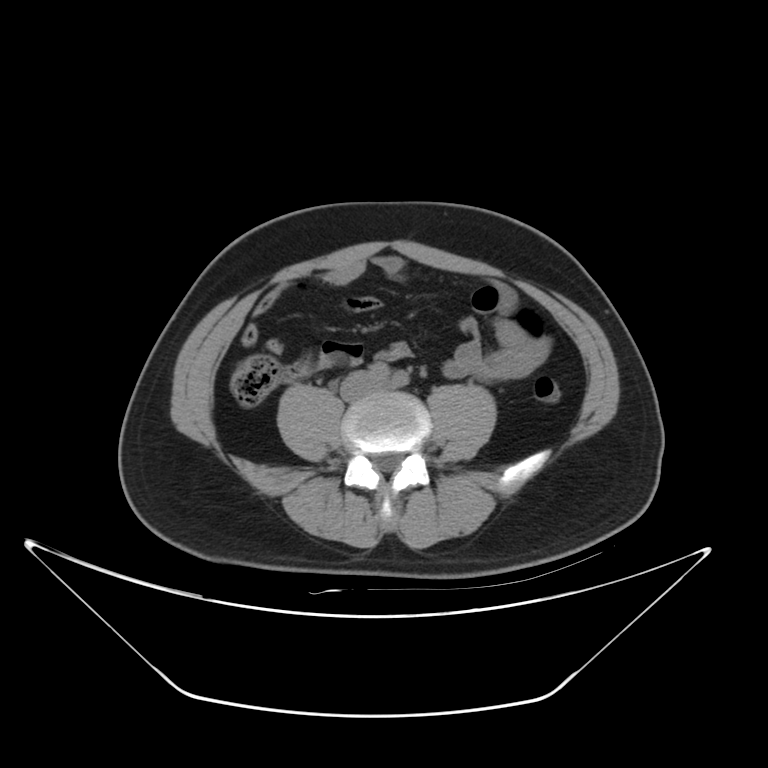
Computed tomography, abdomen — Axial slice 49/93 — soft-tissue window (W 400 / L 40) — 40-year-old male patient — Brilliance16 scanner
{"organs":{"inferior vena cava":[341,371,375,400]}}